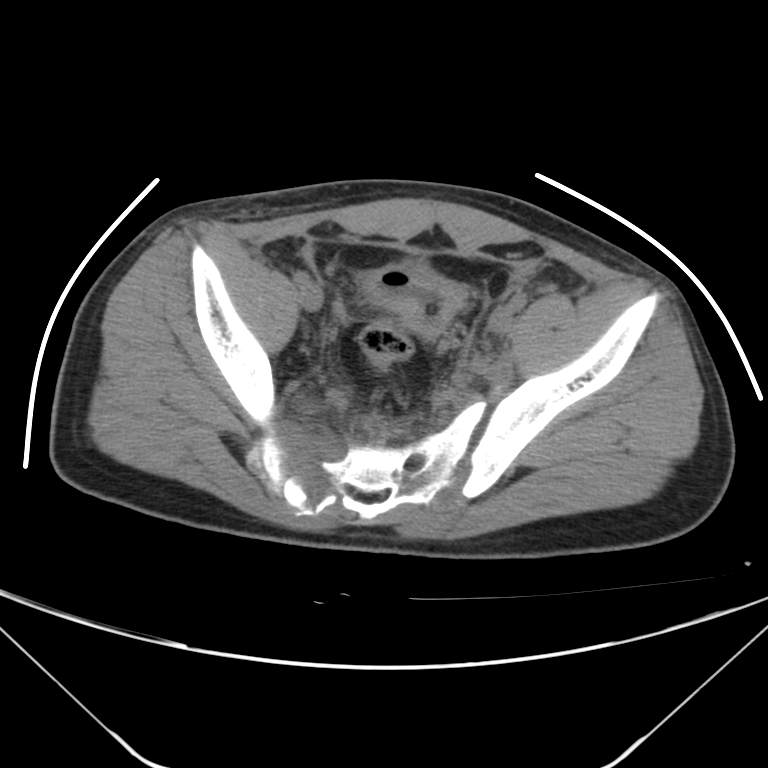 Computed tomography, abdomen; axial plane, index 25; soft-tissue window (W 400 / L 40); 768x768 px; 15 organs annotated in this scan (a whole-scan count: organs this slice does not pass through have no box)
Boxes: x1 y1 x2 y2 (pixel coords, space-separated).
bladder: 361 265 467 337